CT, abdomen/pelvis; axial view; 31-year-old male patient
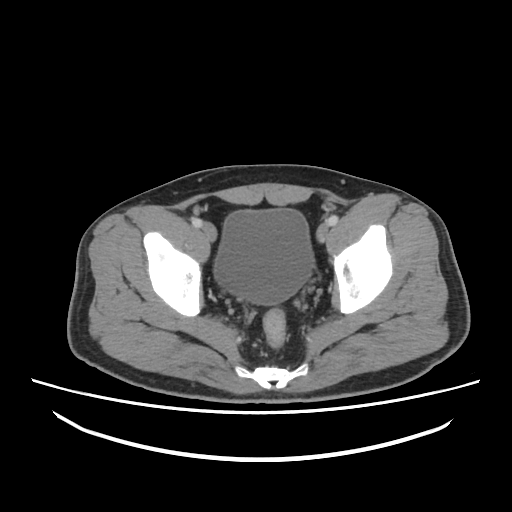
Boxes are (x1, y1, x2, y2) in pixels.
Organ bounding boxes:
- bladder: (214, 208, 314, 305)